CT abdomen — axial view — 512x512 px — 15 organs annotated in this scan (that count is for the whole scan; organs this slice misses have no box)
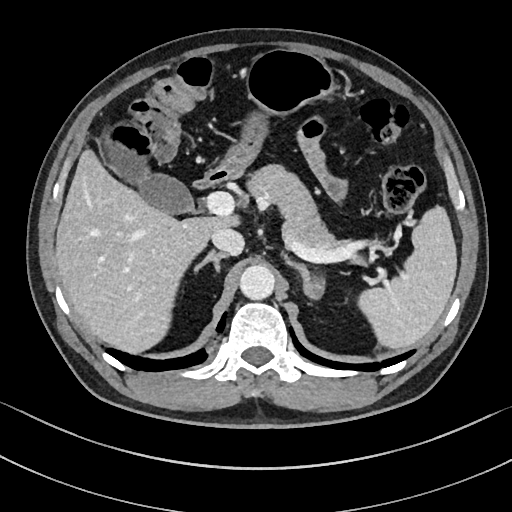

Bounding boxes as [x1, y1, x2, y2] in pixel coordinates.
Organ bounding boxes:
- liver: [55, 149, 237, 353]
- spleen: [358, 206, 457, 349]
- pancreas: [246, 165, 364, 263]
- stomach: [227, 49, 335, 167]
- left adrenal gland: [296, 264, 324, 298]
- duodenum: [194, 157, 244, 188]
- gall bladder: [110, 152, 192, 213]
- inferior vena cava: [211, 228, 244, 255]
- right adrenal gland: [194, 251, 227, 273]
- aorta: [240, 264, 274, 299]